Abdominal MR; axial plane, index 1; 1st–99th percentile window
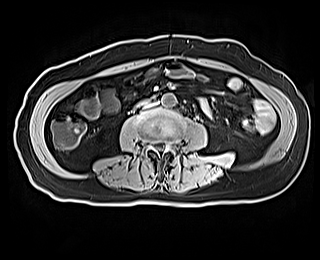

{"organs":{"aorta":[161,93,176,107],"duodenum":[134,96,155,108],"inferior vena cava":[144,102,156,108]}}